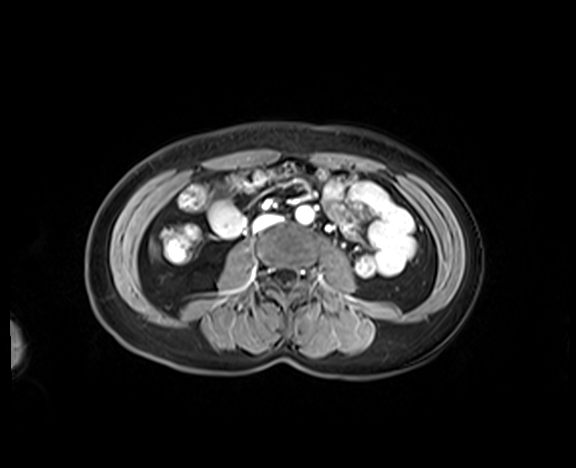 Abdominal MR — axial view
Bounding boxes as [x1, y1, x2, y2] in pixel coordinates. 2 labeled organs on this slice — aorta at [296, 206, 313, 224]; inferior vena cava at [253, 215, 280, 230].